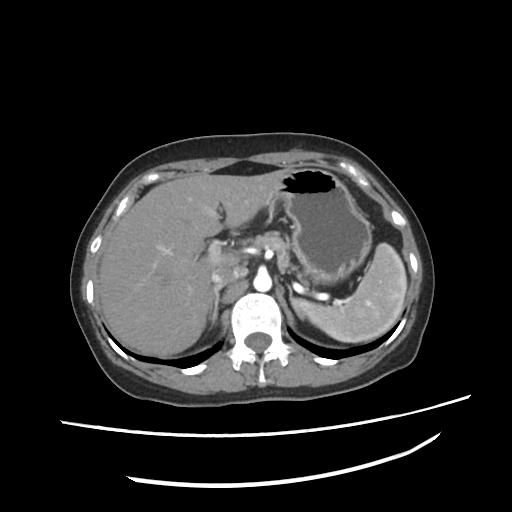

CT, abdomen/pelvis. Axial slice 65/78. 47-year-old female patient
Coordinates as <box>x1,y1,x2,y2</box> in pixels.
Organ bounding boxes:
- inferior vena cava: <box>211,267,248,285</box>
- spleen: <box>291,242,406,343</box>
- liver: <box>99,169,288,354</box>
- stomach: <box>269,167,371,283</box>
- right adrenal gland: <box>212,284,223,323</box>
- aorta: <box>253,273,271,291</box>
- left adrenal gland: <box>289,286,293,300</box>
- pancreas: <box>247,230,302,276</box>